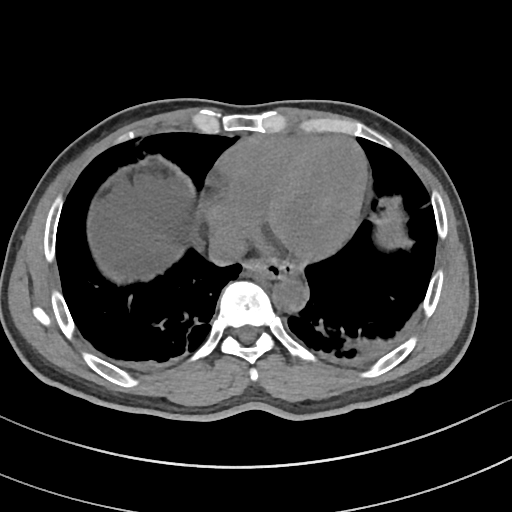 Lower-chest slice from an abdominal CT, just above the liver and spleen; axial view; soft-tissue window
The heart and lungs are never labeled in this dataset, so they have no box on this slice.
Organ boxes in pixel coordinates; each row gives the top-left (x1, y1) and bottom-right (x2, y2) corners.
| organ | x1 | y1 | x2 | y2 |
|---|---|---|---|---|
| esophagus | 242 | 260 | 298 | 280 |
| aorta | 273 | 278 | 308 | 313 |
| inferior vena cava | 209 | 231 | 246 | 264 |